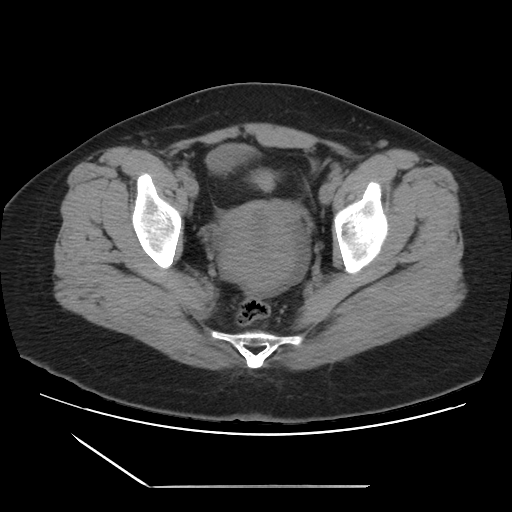
Abdominal CT · axial view · 512x512 px
Coordinates as <box>x1,y1,x2,y2</box> in pixels.
bladder: <box>205,143,252,170</box>
prostate/uterus: <box>219,201,299,292</box>